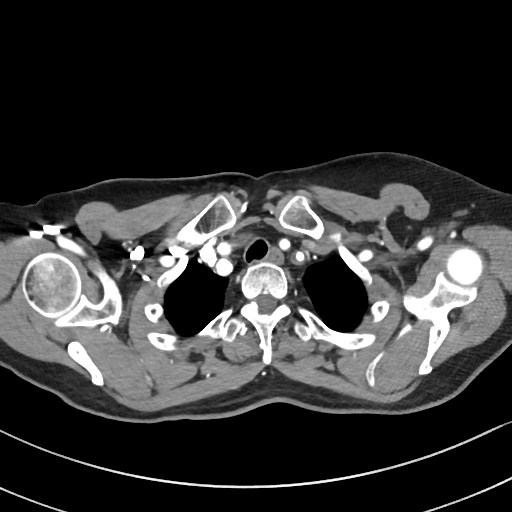

CT of the abdomen extending into the chest, slice through the chest — axial view — 512x512 px — scan has 15 labeled organs (that count is for the whole scan; organs this slice misses have no box)
On a slice this high in the chest, this dataset labels only the esophagus and the aorta, and each is boxed only where it is labeled; the heart, lungs and other chest structures are not labeled.
One row per box, in pixels: columns x1 and y1 give the top-left corner, x2 and y2 the bottom-right.
| organ | x1 | y1 | x2 | y2 |
|---|---|---|---|---|
| esophagus | 266 | 248 | 284 | 265 |